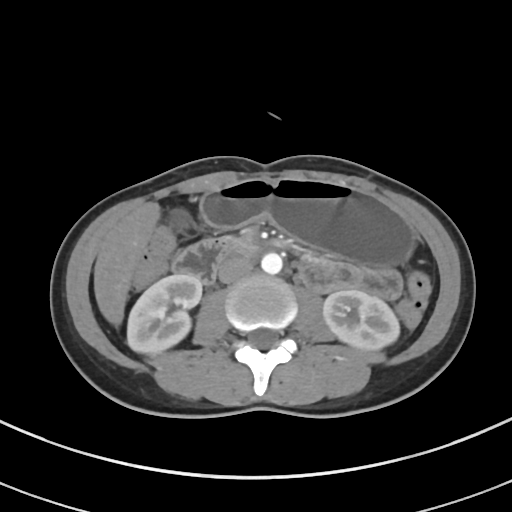

Computed tomography, abdomen; axial view
One row per box, in pixels: columns x1 and y1 give the top-left corner, x2 and y2 the bottom-right.
| organ | x1 | y1 | x2 | y2 |
|---|---|---|---|---|
| right kidney | 127 | 273 | 202 | 354 |
| left kidney | 323 | 289 | 399 | 350 |
| gall bladder | 170 | 210 | 188 | 227 |
| liver | 93 | 202 | 160 | 326 |
| stomach | 200 | 178 | 415 | 266 |
| aorta | 261 | 253 | 282 | 274 |
| inferior vena cava | 218 | 256 | 253 | 283 |
| duodenum | 172 | 237 | 254 | 284 |